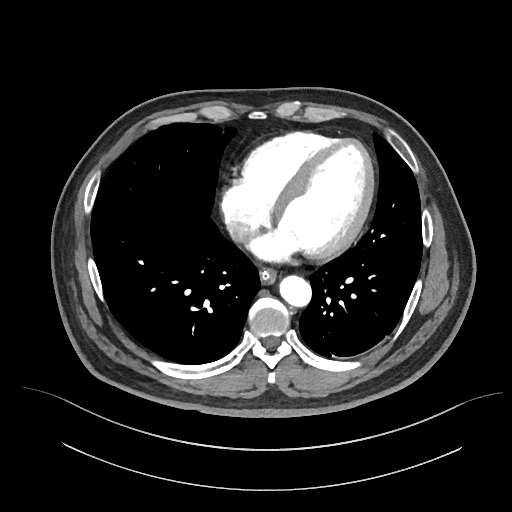
CT of the abdomen reaching into the lower chest, slice just above the liver and spleen · axial view · acquired on SOMATOM Force
No part of the heart or lungs is labeled in this dataset, so neither has a box here.
{"organs":{"aorta":[280,276,312,307],"esophagus":[260,270,277,285],"inferior vena cava":[227,221,251,241]}}